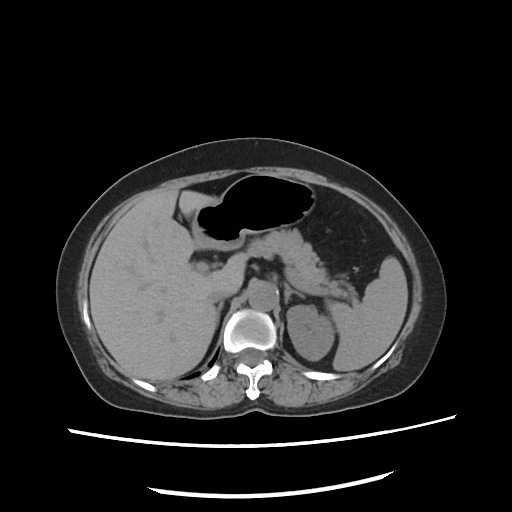
Abdominal CT; axial view; abdomen soft-tissue window; 512x512 px
Each box given as x1,y1,x2,y2. The annotated organs in this slice are: aorta at x1=248, y1=281, x2=277, y2=312, stomach at x1=192, y1=172, x2=315, y2=248, pancreas at x1=263, y1=229, x2=350, y2=296, right adrenal gland at x1=214, y1=301, x2=223, y2=327, inferior vena cava at x1=207, y1=289, x2=233, y2=302, left adrenal gland at x1=283, y1=284, x2=304, y2=304, liver at x1=90, y1=190, x2=244, y2=381, spleen at x1=328, y1=257, x2=409, y2=371, left kidney at x1=285, y1=305, x2=334, y2=361.